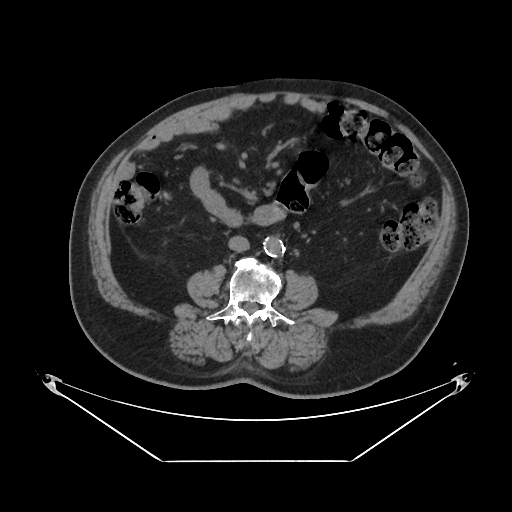

CT abdomen; axial view; abdomen soft-tissue window; 512x512 px; acquired on SOMATOM Force; scan has 15 labeled organs (that count is for the whole scan; organs this slice misses have no box)
{"organs":{"aorta":[262,236,283,256],"inferior vena cava":[228,236,249,251]}}